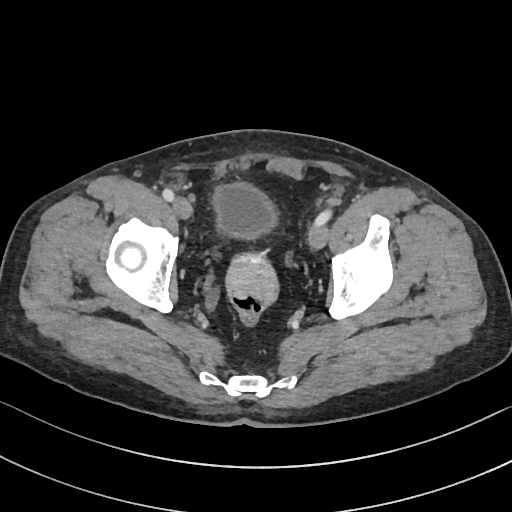 CT, abdomen/pelvis — axial view — 512x512 px — SOMATOM Force scanner — 14 organs annotated in this scan (that count is for the whole scan; organs this slice misses have no box)
<organs><organ name="bladder" x1="212" y1="183" x2="276" y2="240"/></organs>